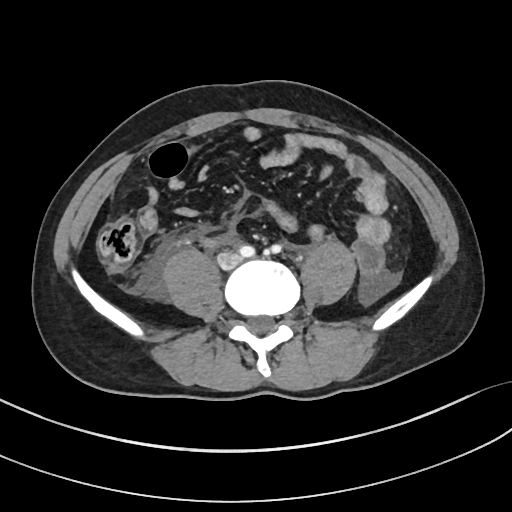
CT, abdomen/pelvis · axial view · scan has 15 labeled organs (that count is for the whole scan; organs this slice misses have no box)
Bounding boxes in pixels, one row per box: x1, y1 is the top-left corner and x2, y2 the bottom-right.
| organ | x1 | y1 | x2 | y2 |
|---|---|---|---|---|
| inferior vena cava | 219 | 253 | 239 | 267 |